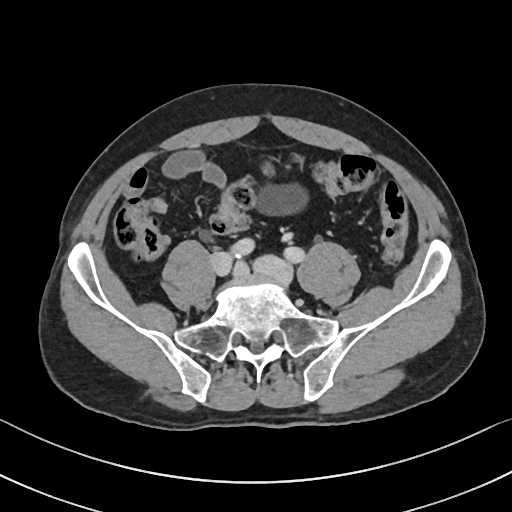

CT, abdomen/pelvis; axial plane, index 67; W/L 400/40 HU
Boxes: x1:y1:x2:y2 in pixels. The annotated organs in this slice are: bladder at 254:180:311:217.